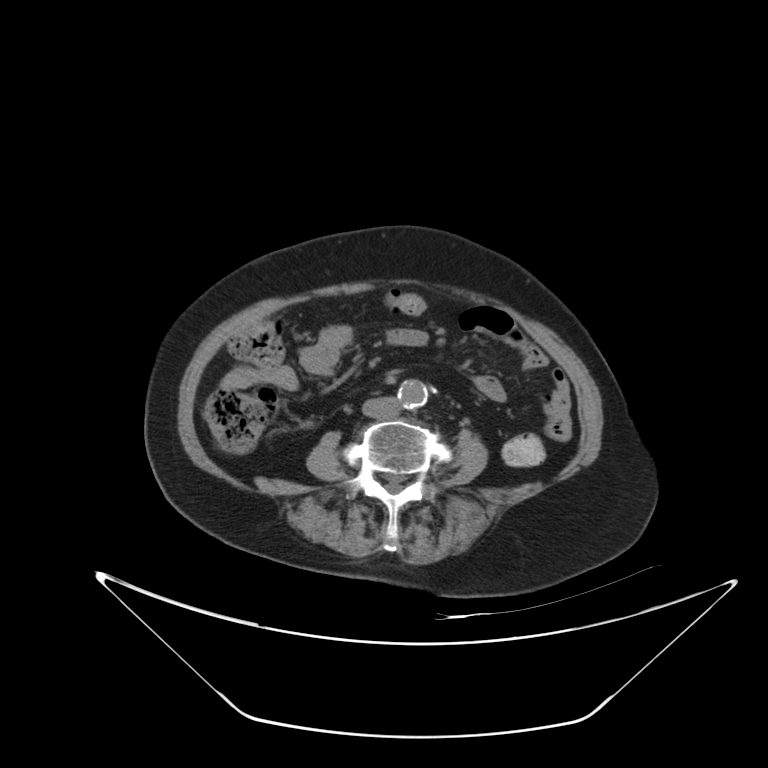

Abdominal CT · axial plane, index 45 · 768x768 px · Brilliance16 scanner · scan has 15 labeled organs (counted over the whole 3D scan, not this slice; an organ is boxed only where this slice passes through it)
Boxes: x1 y1 x2 y2 (pixel coords, space-separated). 2 labeled organs on this slice — inferior vena cava at 362 396 400 419; aorta at 397 380 428 408.